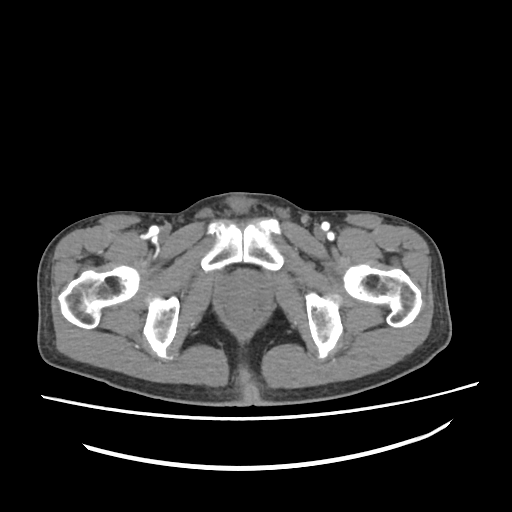
Computed tomography, abdomen; axial view; 14 organs annotated in this scan (counted over the whole 3D scan, not this slice; an organ is boxed only where this slice passes through it)
Boxes: x1 y1 x2 y2 (pixel coords, space-separated).
prostate/uterus: 224 276 260 305